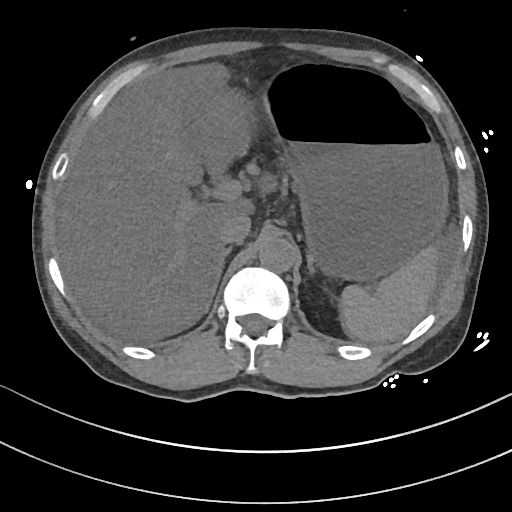 Abdominal CT; Axial slice 188/252; W/L 400/40 HU; 15 organs annotated in this scan (that count is for the whole scan; organs this slice misses have no box)
<organs><organ name="spleen" x1="341" y1="246" x2="439" y2="341"/><organ name="gall bladder" x1="182" y1="84" x2="248" y2="177"/><organ name="liver" x1="56" y1="62" x2="279" y2="342"/><organ name="stomach" x1="266" y1="63" x2="448" y2="282"/><organ name="aorta" x1="259" y1="237" x2="296" y2="272"/><organ name="inferior vena cava" x1="219" y1="214" x2="251" y2="244"/><organ name="right adrenal gland" x1="204" y1="246" x2="232" y2="314"/><organ name="left adrenal gland" x1="306" y1="257" x2="314" y2="273"/></organs>